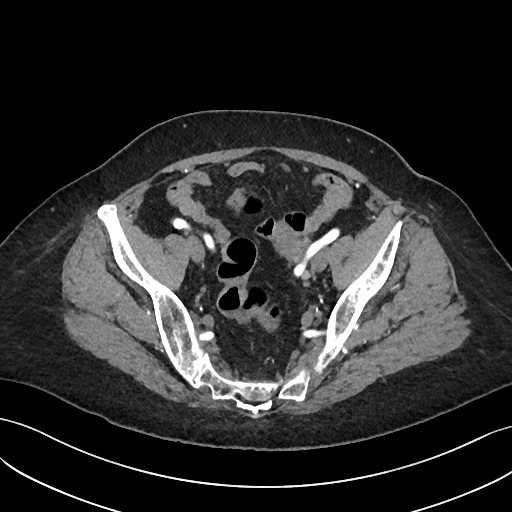 Abdominal CT. axial plane, index 47. SOMATOM Force scanner. scan has 15 labeled organs (that count is for the whole scan; organs this slice misses have no box)
{"organs":{"prostate/uterus":[277,234,300,256]}}